CT abdomen; axial view; 15 organs annotated in this scan (that count is for the whole scan; organs this slice misses have no box)
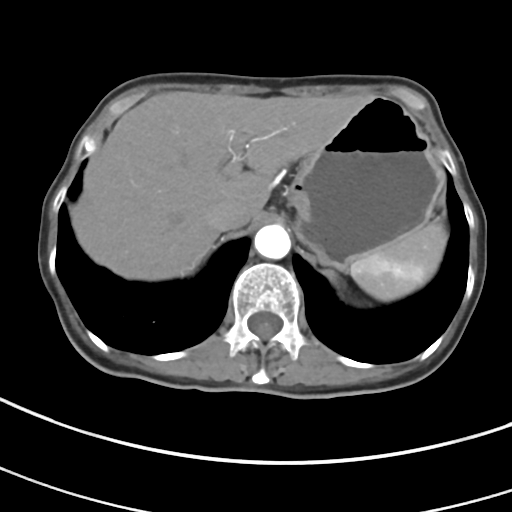 <organs><organ name="spleen" x1="349" y1="221" x2="447" y2="301"/><organ name="liver" x1="70" y1="91" x2="366" y2="280"/><organ name="stomach" x1="286" y1="96" x2="444" y2="269"/><organ name="aorta" x1="254" y1="224" x2="290" y2="259"/><organ name="inferior vena cava" x1="206" y1="199" x2="249" y2="232"/></organs>